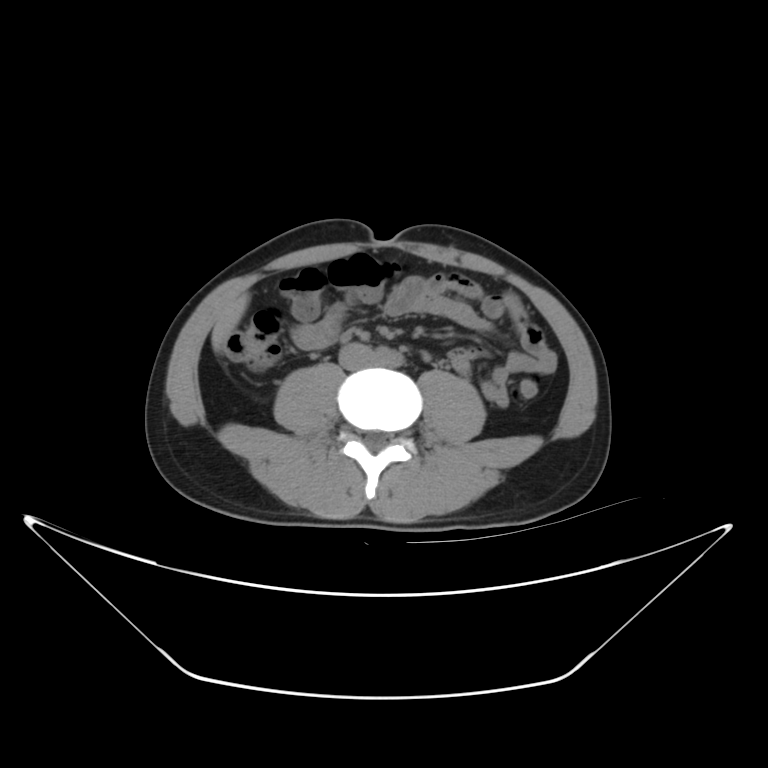
Abdominal CT · axial view · W/L 400/40 HU · 768x768 px · scan has 15 labeled organs (a whole-scan count: organs this slice does not pass through have no box)
Boxes: x1:y1:x2:y2 in pixels. 3 labeled organs on this slice — aorta at 374:347:405:365; liver at 211:295:251:350; inferior vena cava at 339:345:372:367.